CT abdomen. axial view. 512x512 px. scan has 14 labeled organs (that count is for the whole scan; organs this slice misses have no box)
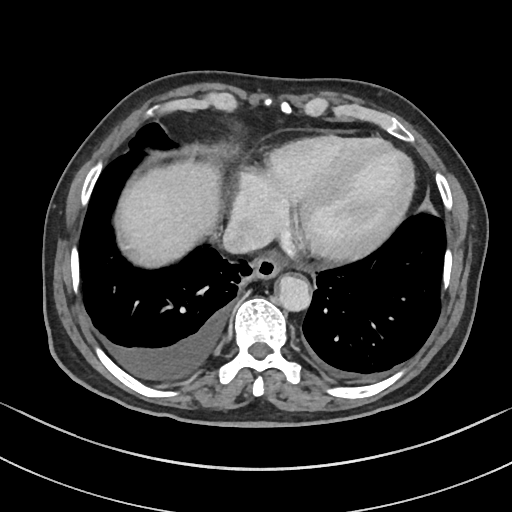

Coordinates as <box>x1,y1,x2,y2</box> in pixels.
aorta: <box>277,276,311,312</box>
esophagus: <box>251,256,281,280</box>
liver: <box>121,160,223,264</box>
inferior vena cava: <box>223,219,270,252</box>